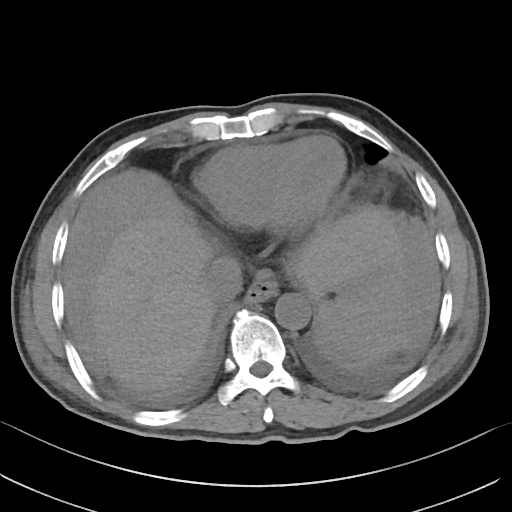
CT abdomen. Axial slice 85/100. 512x512 px. 15 organs annotated in this scan (that count is for the whole scan; organs this slice misses have no box)
Bounding boxes as [x1, y1, x2, y2] in pixel coordinates.
spleen: [319, 247, 407, 358]
esophagus: [245, 280, 277, 303]
liver: [91, 206, 401, 390]
aorta: [275, 293, 311, 329]
inferior vena cava: [204, 256, 242, 302]